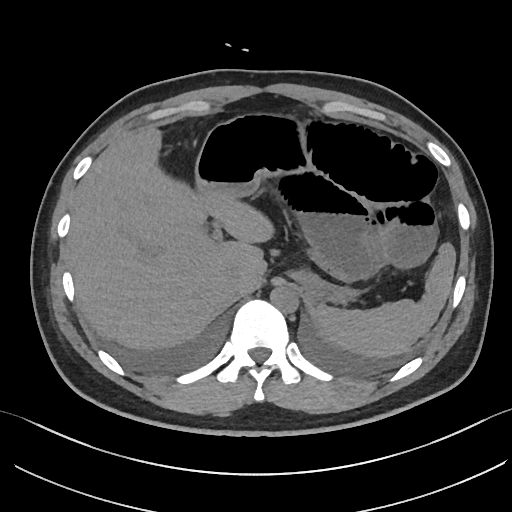
Computed tomography, abdomen · axial view · abdomen soft-tissue window · 512x512 px
<organs><organ name="spleen" x1="315" y1="242" x2="455" y2="357"/><organ name="liver" x1="67" y1="128" x2="274" y2="351"/><organ name="stomach" x1="195" y1="115" x2="351" y2="304"/><organ name="aorta" x1="270" y1="286" x2="298" y2="312"/><organ name="inferior vena cava" x1="225" y1="269" x2="242" y2="293"/></organs>